CT abdomen. axial view
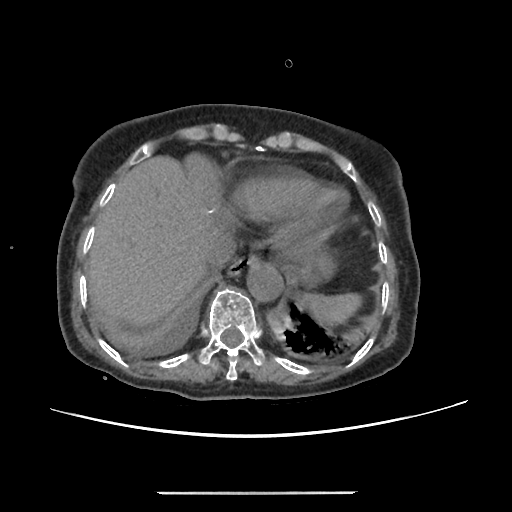
<organs><organ name="spleen" x1="300" y1="292" x2="362" y2="328"/><organ name="esophagus" x1="229" y1="252" x2="260" y2="274"/><organ name="liver" x1="86" y1="155" x2="231" y2="328"/><organ name="stomach" x1="288" y1="247" x2="334" y2="285"/><organ name="aorta" x1="245" y1="260" x2="283" y2="300"/><organ name="inferior vena cava" x1="205" y1="236" x2="236" y2="269"/></organs>